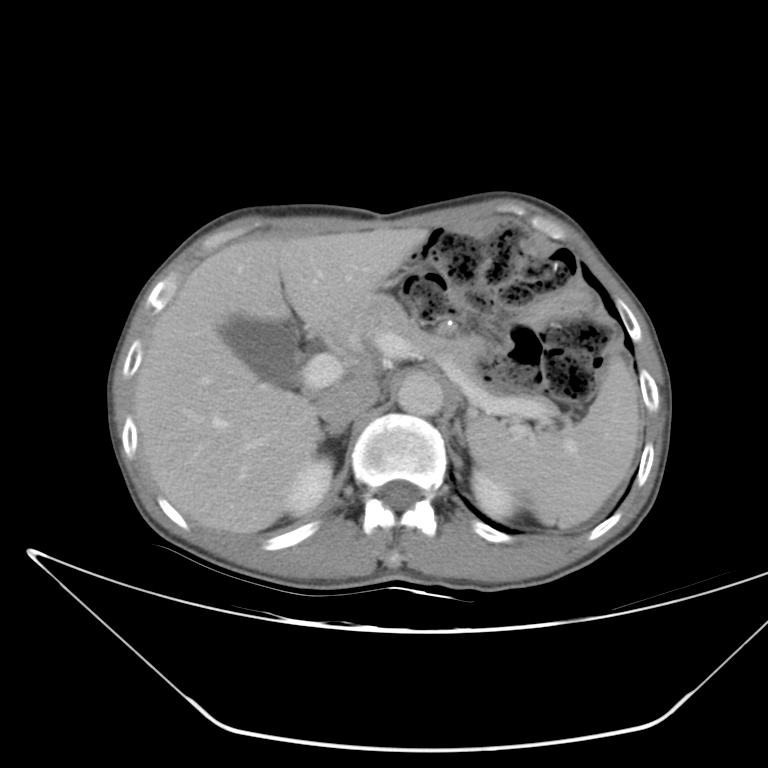
Computed tomography, abdomen. Axial slice 44/104. 62-year-old male patient. 13 organs annotated in this scan (that count is for the whole scan; organs this slice misses have no box)
One row per box, in pixels: columns x1 and y1 give the top-left corner, x2 and y2 the bottom-right.
| organ | x1 | y1 | x2 | y2 |
|---|---|---|---|---|
| spleen | 469 | 358 | 642 | 529 |
| right kidney | 283 | 456 | 332 | 517 |
| left kidney | 472 | 468 | 521 | 517 |
| gall bladder | 221 | 317 | 296 | 387 |
| liver | 135 | 223 | 429 | 535 |
| aorta | 395 | 373 | 444 | 416 |
| inferior vena cava | 320 | 380 | 378 | 425 |
| pancreas | 330 | 293 | 487 | 366 |
| right adrenal gland | 318 | 424 | 347 | 440 |
| left adrenal gland | 448 | 419 | 468 | 453 |